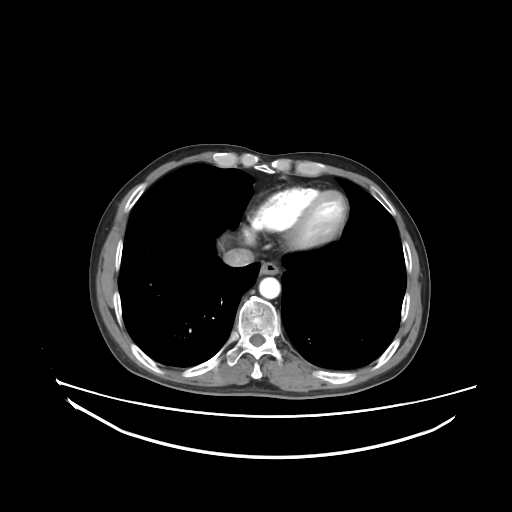
CT of the abdomen reaching into the lower chest, slice just above the liver and spleen · axial view · 512x512 px · Aquilion ONE scanner
Of the structures in the chest, this dataset labels only the esophagus, the aorta and the inferior vena cava; the heart and lungs have no label.
{"organs":{"esophagus":[260,262,279,274],"aorta":[259,277,280,298],"inferior vena cava":[223,248,254,267]}}